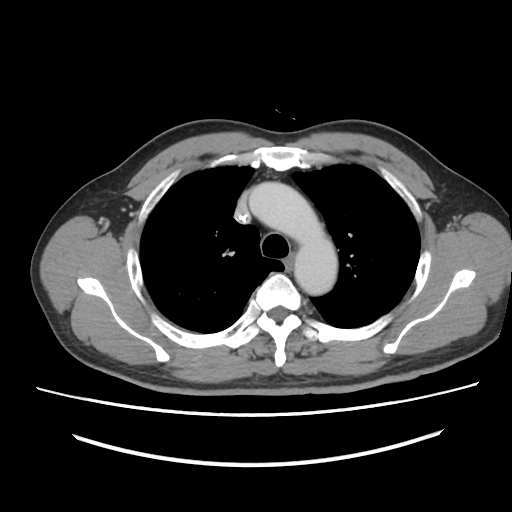
Chest-level CT slice, above the liver and spleen; axial view; soft-tissue window, W/L 400/40; 512x512 px; acquired on Aquilion ONE; 14 organs annotated in this scan (a whole-scan count: organs this slice does not pass through have no box)
At this level of the chest no structure but the esophagus and the aorta has a label in this dataset, and those two are boxed only where they are labeled.
{"organs":{"esophagus":[283,255,293,269],"aorta":[250,182,337,295]}}